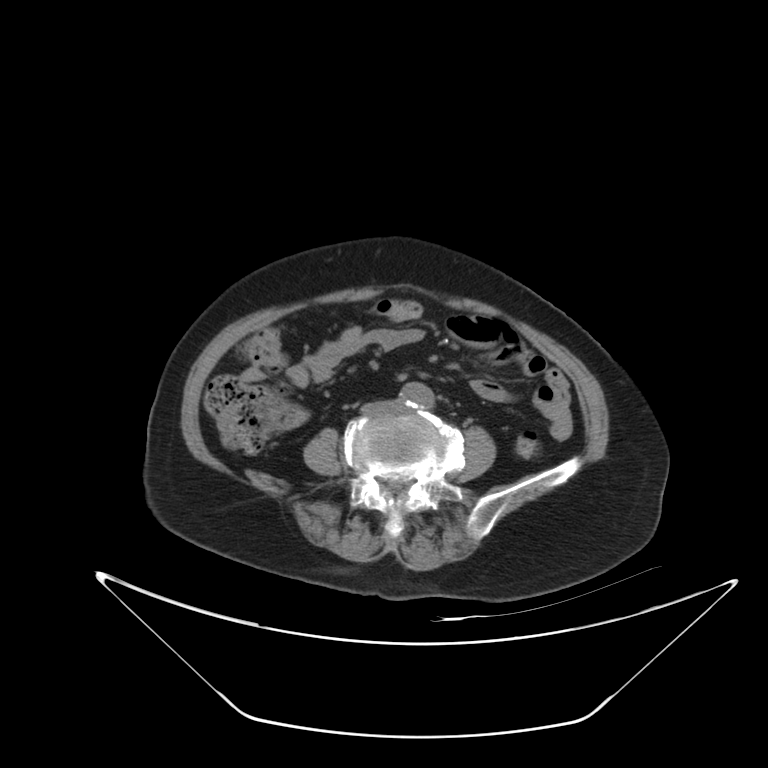
CT, abdomen/pelvis. axial view. 768x768 px. acquired on Brilliance16. scan has 15 labeled organs (counted over the whole 3D scan, not this slice; an organ is boxed only where this slice passes through it)
One row per box, in pixels: columns x1 and y1 give the top-left corner, x2 and y2 the bottom-right.
| organ | x1 | y1 | x2 | y2 |
|---|---|---|---|---|
| aorta | 401 | 383 | 434 | 409 |